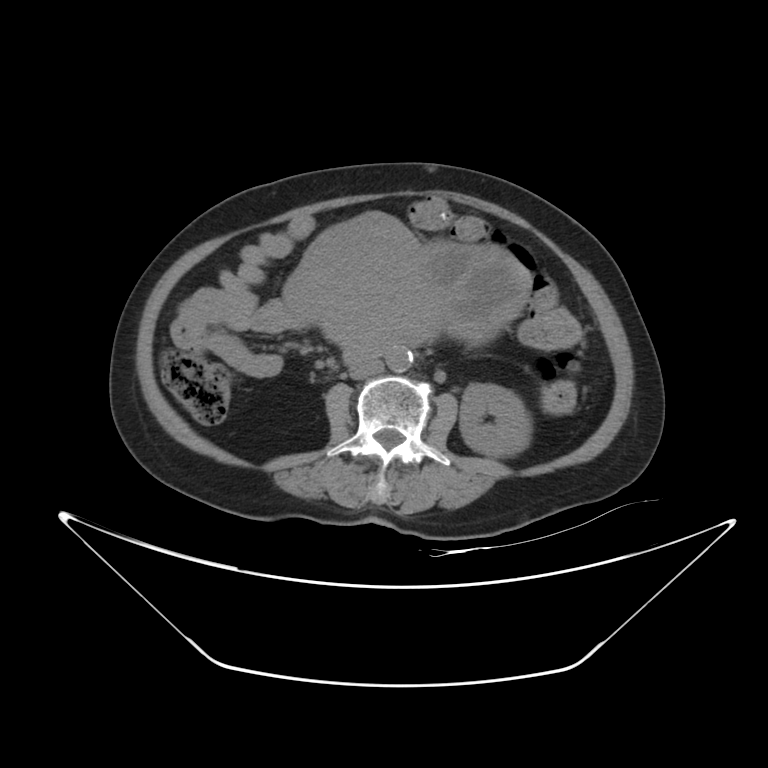
CT, abdomen/pelvis · axial view · acquired on Brilliance16
Boxes: x1 y1 x2 y2 (pixel coords, space-separated). 5 labeled organs on this slice — left kidney at 460 383 529 457; stomach at 284 212 531 354; aorta at 386 349 413 372; inferior vena cava at 349 359 384 379; duodenum at 343 352 379 362.